Abdominal MR; axial view; 320x260 px; acquired on Prisma
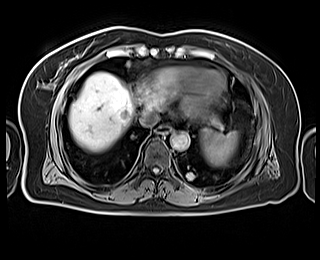

<organs><organ name="liver" x1="69" y1="72" x2="134" y2="151"/><organ name="inferior vena cava" x1="138" y1="109" x2="158" y2="126"/><organ name="spleen" x1="200" y1="129" x2="238" y2="166"/><organ name="esophagus" x1="157" y1="125" x2="171" y2="133"/><organ name="aorta" x1="170" y1="132" x2="189" y2="149"/></organs>